Abdominal CT. axial plane, index 56
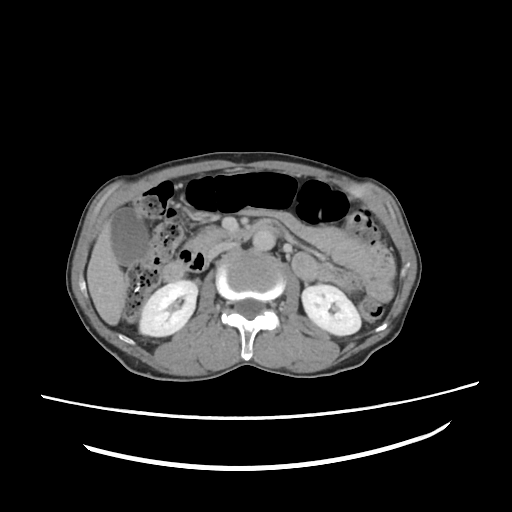 {"organs":{"right kidney":[138,280,198,337],"left kidney":[303,284,361,335],"gall bladder":[111,206,150,264],"liver":[88,218,127,325],"aorta":[253,230,275,251],"inferior vena cava":[206,242,236,258],"pancreas":[185,228,227,250],"duodenum":[161,223,282,283]}}